CT abdomen. axial view. 512x512 px
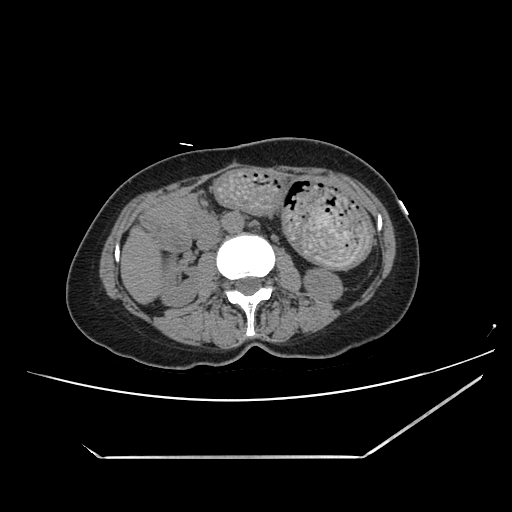 <organs><organ name="right kidney" x1="160" y1="256" x2="199" y2="306"/><organ name="left kidney" x1="304" y1="268" x2="342" y2="301"/><organ name="liver" x1="120" y1="225" x2="162" y2="303"/><organ name="stomach" x1="216" y1="168" x2="372" y2="269"/><organ name="aorta" x1="222" y1="212" x2="244" y2="233"/><organ name="inferior vena cava" x1="197" y1="233" x2="218" y2="250"/><organ name="pancreas" x1="158" y1="198" x2="203" y2="226"/><organ name="duodenum" x1="138" y1="208" x2="218" y2="252"/></organs>